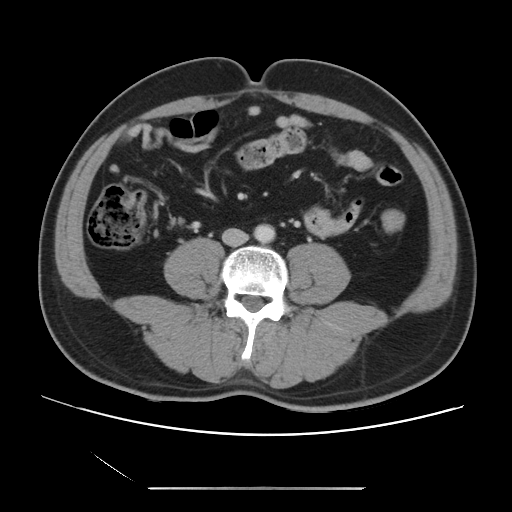
Abdominal CT · Axial slice 49/131 · soft-tissue window (W 400 / L 40)
Coordinates as <box>x1,y1,x2,y2</box> in pixels. 2 labeled organs on this slice — aorta at <box>254,224,275,243</box>; inferior vena cava at <box>222,228,248,246</box>.